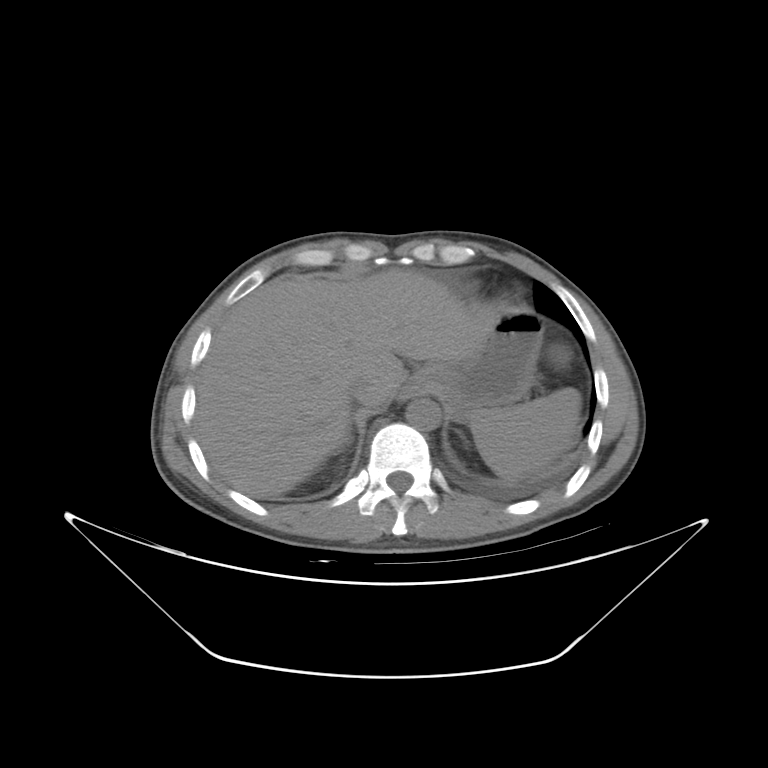 CT, abdomen/pelvis — axial view
Boxes: x1:y1:x2:y2 in pixels.
Organ bounding boxes:
- spleen: 470:387:581:477
- liver: 196:268:498:498
- stomach: 402:308:543:422
- aorta: 406:398:440:430
- inferior vena cava: 348:378:375:405
- right adrenal gland: 343:422:354:445